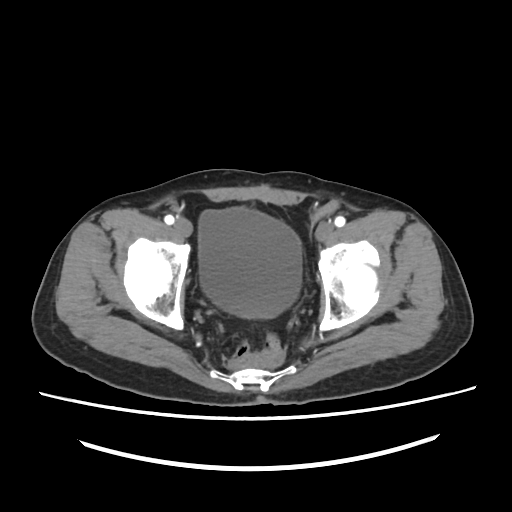 Abdominal CT. axial view. 512x512 px. 65-year-old male patient
{"organs":{"bladder":[198,207,302,317]}}